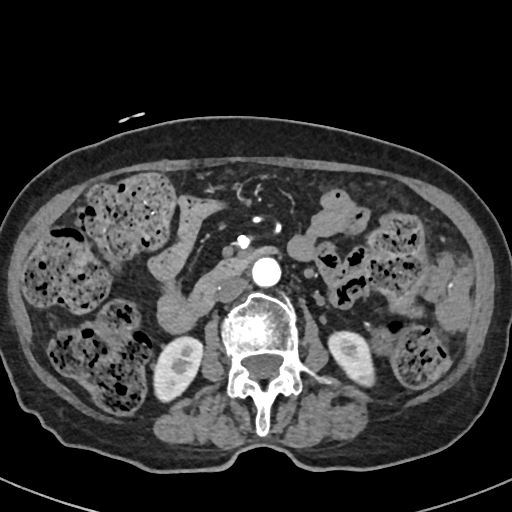 CT abdomen. Axial slice 120/279. abdomen soft-tissue window. 512x512 px. acquired on SOMATOM Force
<organs><organ name="aorta" x1="252" y1="256" x2="281" y2="286"/><organ name="right kidney" x1="155" y1="337" x2="201" y2="402"/><organ name="inferior vena cava" x1="216" y1="276" x2="248" y2="302"/><organ name="duodenum" x1="190" y1="246" x2="277" y2="313"/><organ name="left kidney" x1="328" y1="332" x2="375" y2="386"/></organs>